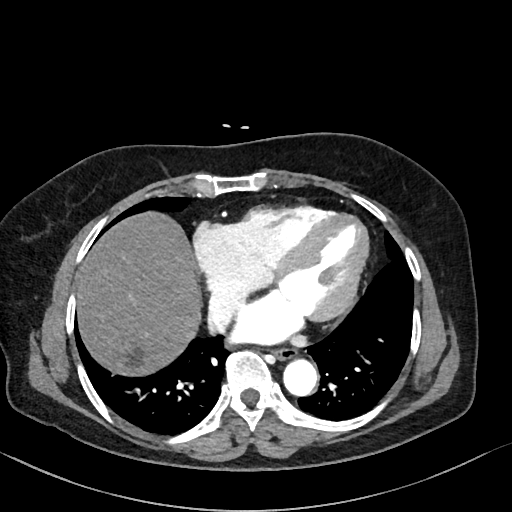
CT abdomen · axial view · acquired on SOMATOM Force · scan has 15 labeled organs (counted over the whole 3D scan, not this slice; an organ is boxed only where this slice passes through it)
<organs><organ name="esophagus" x1="274" y1="349" x2="298" y2="362"/><organ name="liver" x1="77" y1="214" x2="199" y2="373"/><organ name="aorta" x1="283" y1="358" x2="318" y2="397"/><organ name="inferior vena cava" x1="207" y1="290" x2="242" y2="330"/></organs>